CT, abdomen/pelvis · axial plane, index 18 · W/L 400/40 HU · acquired on Aquilion ONE
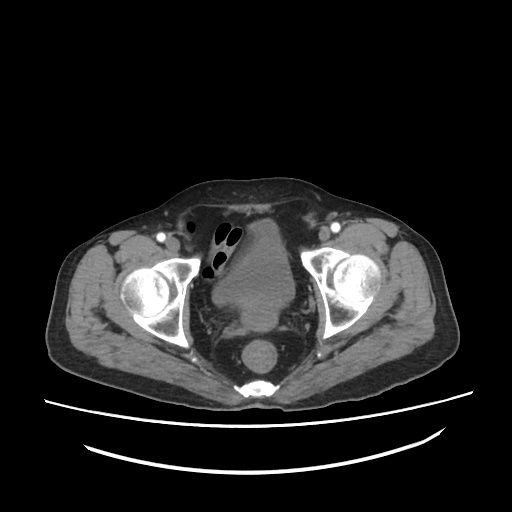
Box edges are left/top/right/bottom in pixels.
bladder: left=212, top=220, right=294, bottom=332